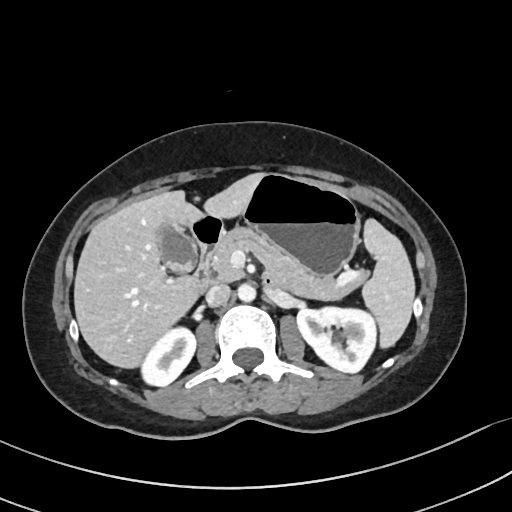

Computed tomography, abdomen. Axial slice 133/175. soft-tissue window (W 400 / L 40). SOMATOM Force scanner
<organs><organ name="left kidney" x1="297" y1="306" x2="376" y2="373"/><organ name="gall bladder" x1="155" y1="224" x2="198" y2="271"/><organ name="stomach" x1="242" y1="174" x2="361" y2="277"/><organ name="spleen" x1="361" y1="220" x2="415" y2="350"/><organ name="duodenum" x1="191" y1="215" x2="273" y2="291"/><organ name="right kidney" x1="141" y1="328" x2="195" y2="385"/><organ name="liver" x1="73" y1="172" x2="266" y2="369"/><organ name="pancreas" x1="210" y1="227" x2="356" y2="300"/><organ name="inferior vena cava" x1="205" y1="283" x2="231" y2="306"/><organ name="aorta" x1="238" y1="284" x2="256" y2="302"/></organs>